Abdominal CT · axial view · abdomen soft-tissue window
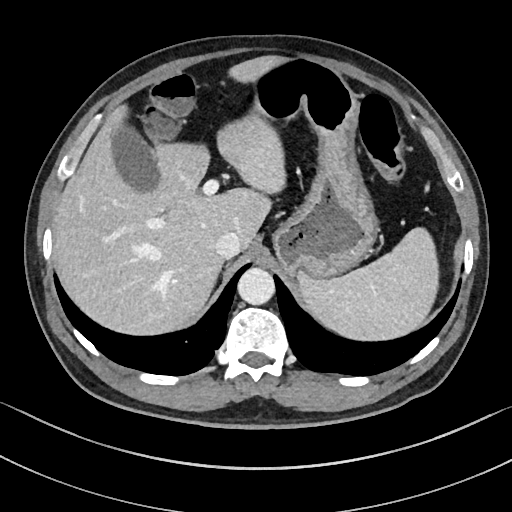 Bounding boxes in pixels, one row per box: x1, y1 is the top-left corner and x2, y2 the bottom-right.
| organ | x1 | y1 | x2 | y2 |
|---|---|---|---|---|
| spleen | 297 | 227 | 438 | 342 |
| gall bladder | 110 | 124 | 161 | 194 |
| liver | 53 | 55 | 285 | 336 |
| stomach | 252 | 57 | 377 | 279 |
| aorta | 237 | 268 | 274 | 305 |
| inferior vena cava | 215 | 232 | 241 | 259 |